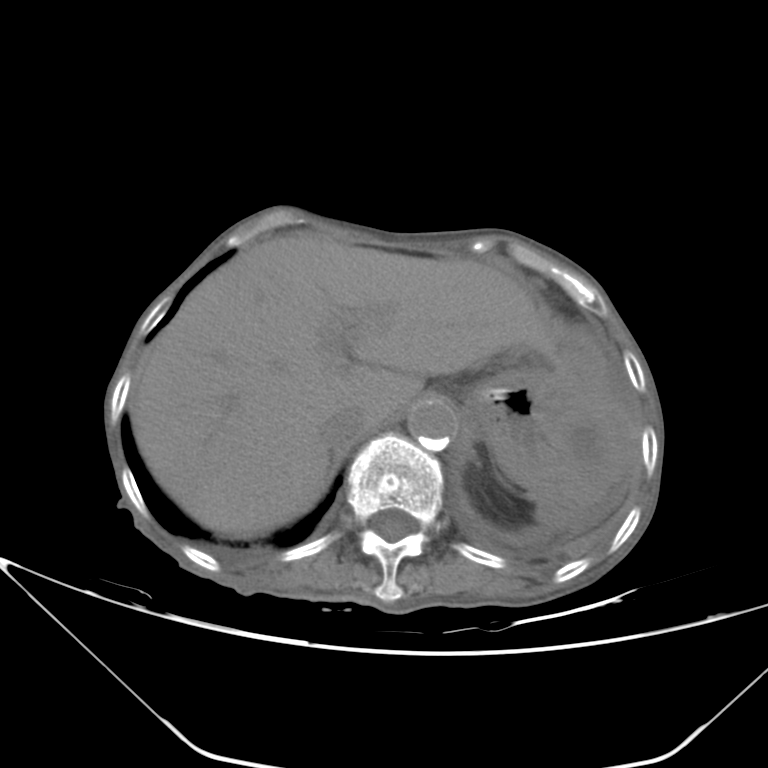

CT abdomen; Axial slice 73/88; soft-tissue window; 768x768 px
<organs><organ name="liver" x1="130" y1="234" x2="554" y2="538"/><organ name="stomach" x1="463" y1="367" x2="576" y2="485"/><organ name="aorta" x1="408" y1="400" x2="457" y2="448"/><organ name="inferior vena cava" x1="319" y1="405" x2="365" y2="446"/></organs>